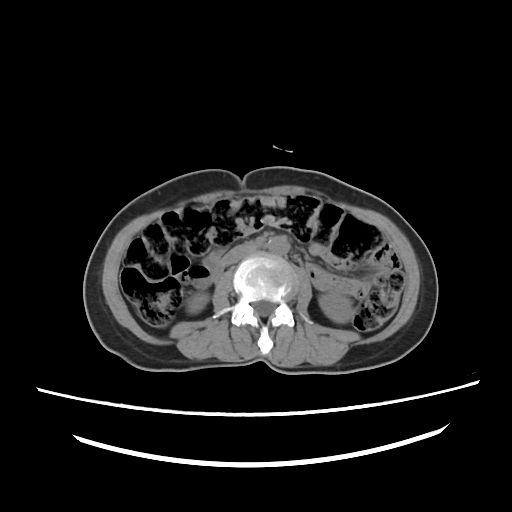
CT abdomen; axial view; soft-tissue window
Boxes: x1:y1:x2:y2 in pixels.
right kidney: 186:291:208:313
left kidney: 319:293:353:322
aorta: 267:236:289:255
inferior vena cava: 223:243:256:265